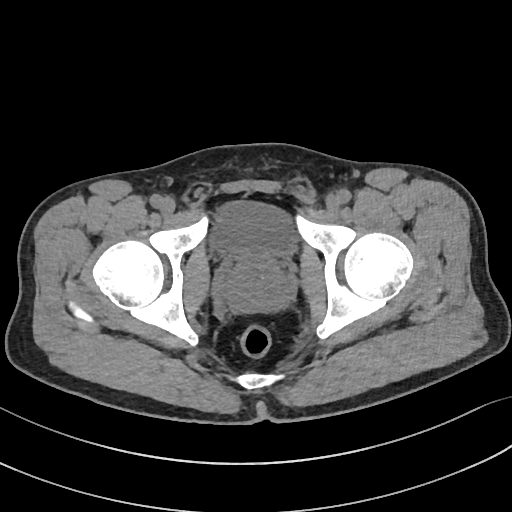
Abdominal CT — axial view — 512x512 px — acquired on SOMATOM Force
{"organs":{"bladder":[211,201,296,256],"prostate/uterus":[222,254,290,312]}}